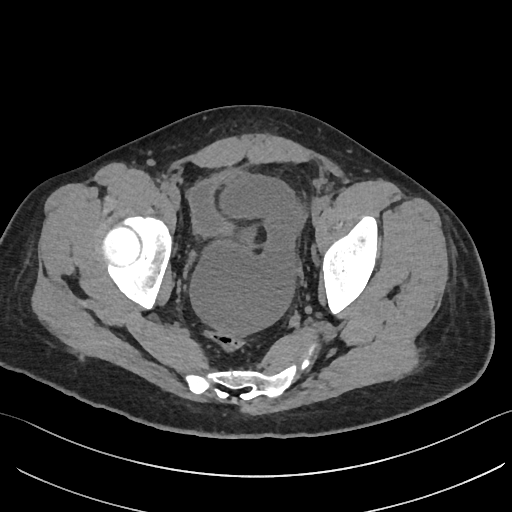

Computed tomography, abdomen; axial view; scan has 15 labeled organs (that count is for the whole scan; organs this slice misses have no box)
Each box given as x1,y1,x2,y2. 1 labeled organ on this slice — bladder at x1=189, y1=168, x2=240, y2=236.